Computed tomography, abdomen; Axial slice 162/294; 512x512 px; acquired on SOMATOM Force; 15 organs annotated in this scan (counted over the whole 3D scan, not this slice; an organ is boxed only where this slice passes through it)
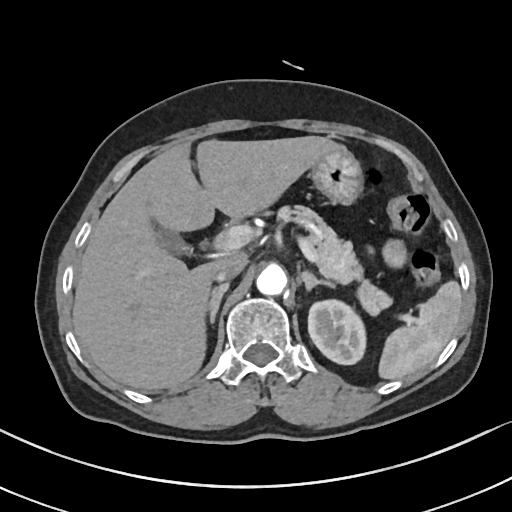
Boxes: x1:y1:x2:y2 in pixels.
Organ bounding boxes:
- pancreas: 274:204:389:310
- stomach: 310:146:361:204
- liver: 72:136:338:389
- right adrenal gland: 203:281:228:324
- aorta: 256:262:286:294
- spleen: 379:281:461:378
- left kidney: 307:298:367:365
- inferior vena cava: 214:260:245:280
- left adrenal gland: 300:270:337:288
- gall bladder: 154:225:193:257